Computed tomography, abdomen; axial plane, index 142; 14 organs annotated in this scan (a whole-scan count: organs this slice does not pass through have no box)
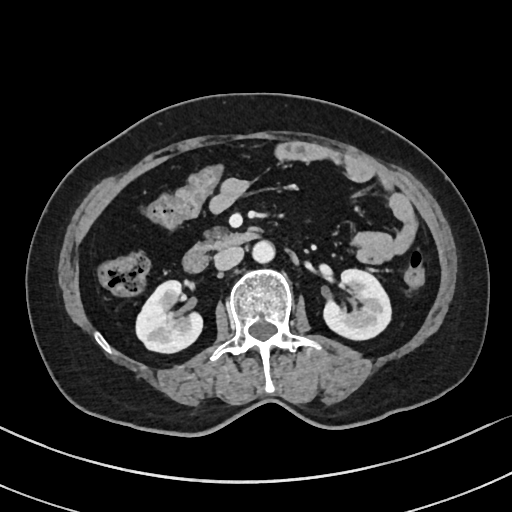
Boxes: x1 y1 x2 y2 (pixel coords, space-separated).
Organ bounding boxes:
- right kidney: 135 281 201 353
- left kidney: 323 269 391 340
- aorta: 251 241 274 263
- inferior vena cava: 214 247 243 270
- pancreas: 204 227 227 245
- duodenum: 182 231 261 273